CT abdomen. axial plane, index 80. soft-tissue window (W 400 / L 40)
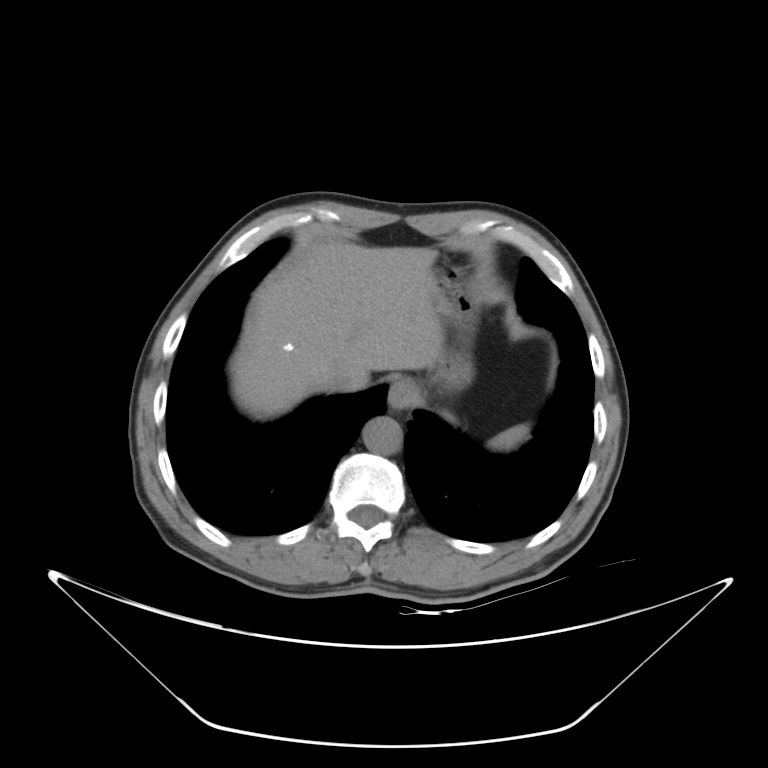

{"organs":{"spleen":[488,424,528,450],"esophagus":[388,379,419,409],"liver":[236,239,445,413],"stomach":[430,265,479,393],"aorta":[362,417,402,455],"inferior vena cava":[327,362,361,391]}}